CT of the abdomen extending into the chest, slice through the chest · axial plane, index 123 · 512x512 px · 61-year-old male patient · 14 organs annotated in this scan (that count is for the whole scan; organs this slice misses have no box)
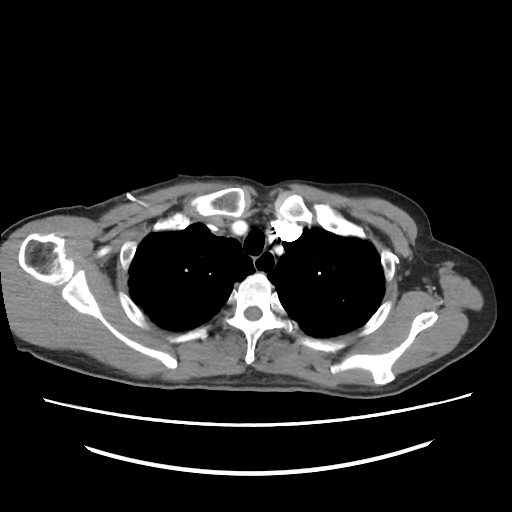

On a slice this high in the chest, this dataset labels only the esophagus and the aorta, and each is boxed only where it is labeled; the heart, lungs and other chest structures are not labeled.
Coordinates as <box>x1,y1,x2,y2</box> in pixels.
Organ bounding boxes:
- esophagus: <box>252,251,274,274</box>